Abdominal CT; axial view; W/L 400/40 HU
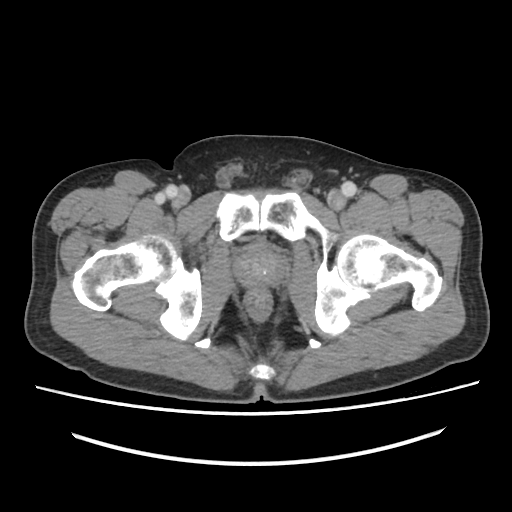

Boxes: x1 y1 x2 y2 (pixel coords, space-separated).
prostate/uterus: 235 245 284 285